CT abdomen — Axial slice 65/96 — 45-year-old male patient — Aquilion ONE scanner
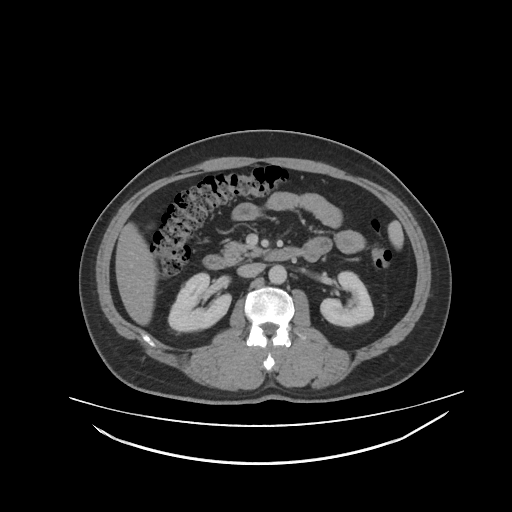 <organs><organ name="pancreas" x1="221" y1="242" x2="263" y2="265"/><organ name="right kidney" x1="168" y1="274" x2="230" y2="330"/><organ name="inferior vena cava" x1="237" y1="263" x2="263" y2="277"/><organ name="liver" x1="115" y1="221" x2="155" y2="325"/><organ name="left kidney" x1="319" y1="271" x2="373" y2="326"/><organ name="duodenum" x1="206" y1="247" x2="308" y2="268"/><organ name="aorta" x1="269" y1="265" x2="287" y2="283"/><organ name="spleen" x1="389" y1="219" x2="402" y2="248"/></organs>